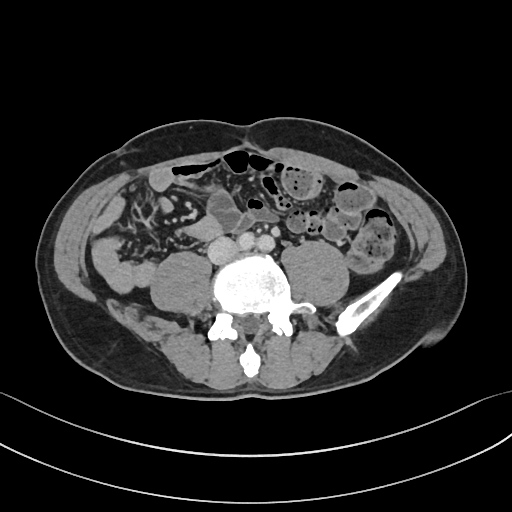
Computed tomography, abdomen · axial view · W/L 400/40 HU · 512x512 px
Bounding boxes as [x1, y1, x2, y2] in pixel coordinates. 1 labeled organ on this slice — inferior vena cava at [207, 237, 238, 264].